Abdominal CT — axial view — W/L 400/40 HU — 768x768 px — 15 organs annotated in this scan (counted over the whole 3D scan, not this slice; an organ is boxed only where this slice passes through it)
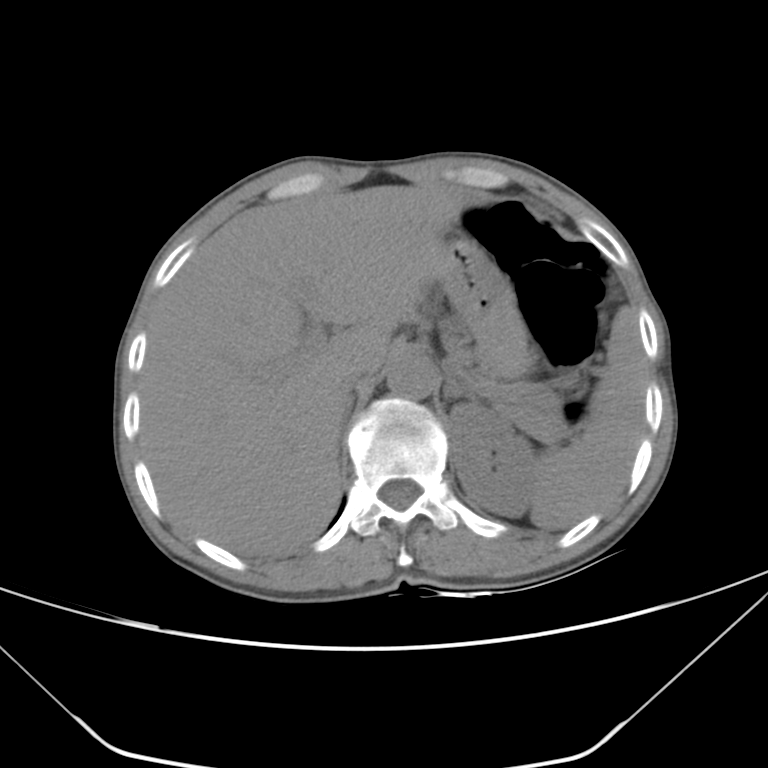
<organs><organ name="left adrenal gland" x1="444" y1="379" x2="477" y2="403"/><organ name="stomach" x1="439" y1="235" x2="531" y2="377"/><organ name="spleen" x1="530" y1="307" x2="646" y2="529"/><organ name="inferior vena cava" x1="342" y1="359" x2="380" y2="390"/><organ name="left kidney" x1="448" y1="404" x2="537" y2="517"/><organ name="liver" x1="141" y1="186" x2="469" y2="556"/><organ name="aorta" x1="386" y1="350" x2="437" y2="400"/><organ name="pancreas" x1="504" y1="382" x2="566" y2="443"/></organs>